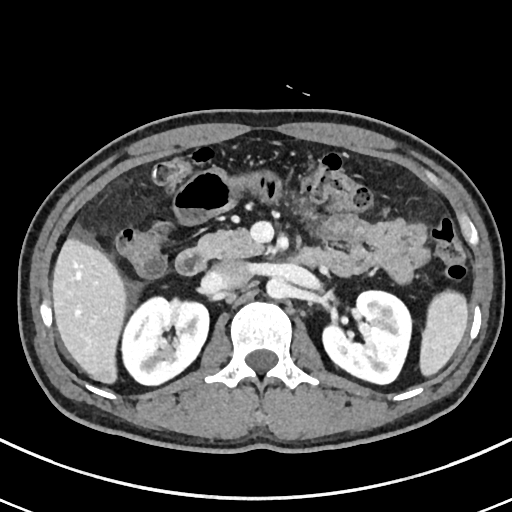 Abdominal CT — axial view
Boxes: x1:y1:x2:y2 in pixels.
spleen: 420:291:467:376
right kidney: 121:297:209:385
left kidney: 322:290:411:384
liver: 52:238:126:383
aorta: 266:277:289:299
inferior vena cava: 211:259:251:288
pancreas: 196:228:265:258
duodenum: 175:248:333:275